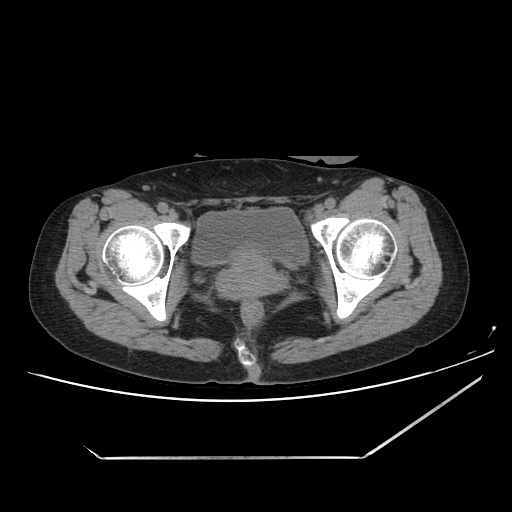 Abdominal CT — axial view — soft-tissue window (W 400 / L 40) — 512x512 px — scan has 14 labeled organs (counted over the whole 3D scan, not this slice; an organ is boxed only where this slice passes through it)
Each box given as x1,y1,x2,y2.
bladder: x1=193, y1=207, x2=306, y2=265
prostate/uterus: x1=220, y1=253, x2=282, y2=296